Abdominal CT; axial view; soft-tissue window (W 400 / L 40); 512x512 px; 40-year-old male patient
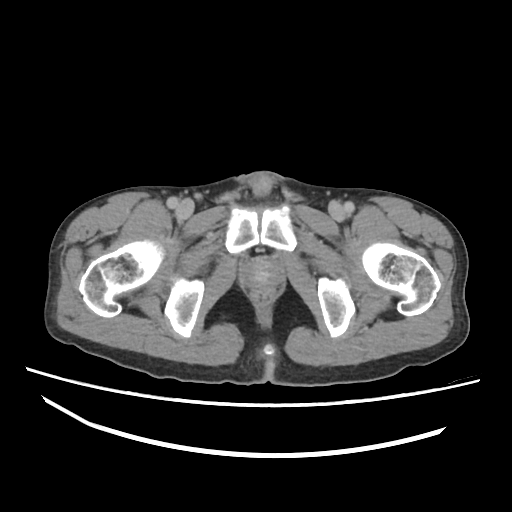 Boxes: x1 y1 x2 y2 (pixel coords, space-separated). 1 labeled organ on this slice — prostate/uterus at 240 255 284 287.